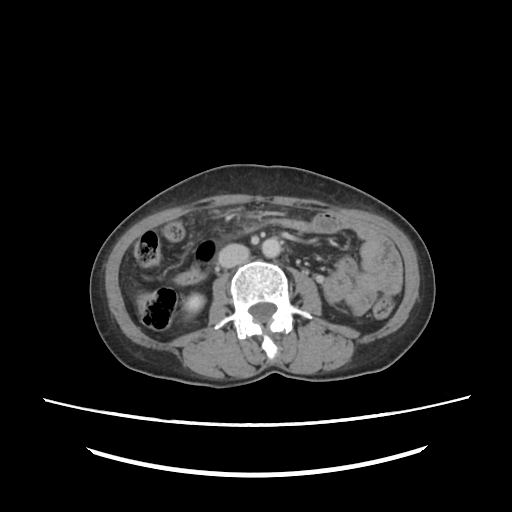 CT, abdomen/pelvis · axial view · Aquilion ONE scanner
Boxes: x1 y1 x2 y2 (pixel coords, space-separated).
Organ bounding boxes:
- right kidney: 184 294 204 316
- aorta: 260 236 281 256
- inferior vena cava: 218 244 250 266